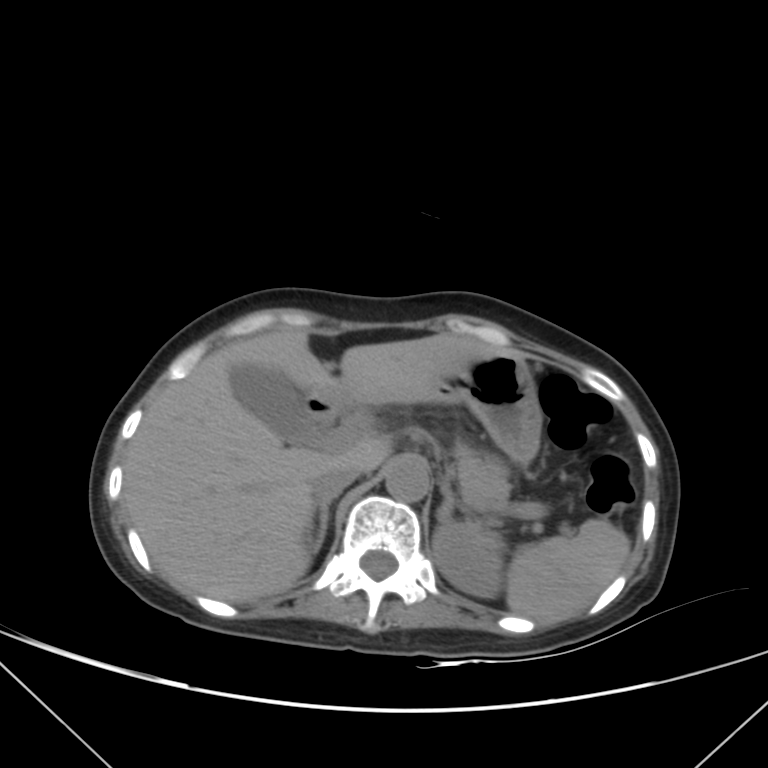

Abdominal CT. axial view. soft-tissue window. 39-year-old female patient
Bounding boxes in pixels, one row per box: x1, y1 is the top-left corner and x2, y2 the bottom-right.
| organ | x1 | y1 | x2 | y2 |
|---|---|---|---|---|
| spleen | 506 | 519 | 630 | 622 |
| left kidney | 431 | 523 | 503 | 598 |
| gall bladder | 230 | 362 | 324 | 444 |
| liver | 123 | 328 | 512 | 601 |
| stomach | 318 | 354 | 542 | 464 |
| aorta | 386 | 457 | 429 | 501 |
| inferior vena cava | 310 | 467 | 358 | 500 |
| pancreas | 453 | 443 | 510 | 512 |
| right adrenal gland | 306 | 496 | 337 | 552 |
| left adrenal gland | 436 | 482 | 466 | 523 |
| duodenum | 304 | 394 | 337 | 427 |